Computed tomography, abdomen — axial view — 768x768 px — acquired on Brilliance16
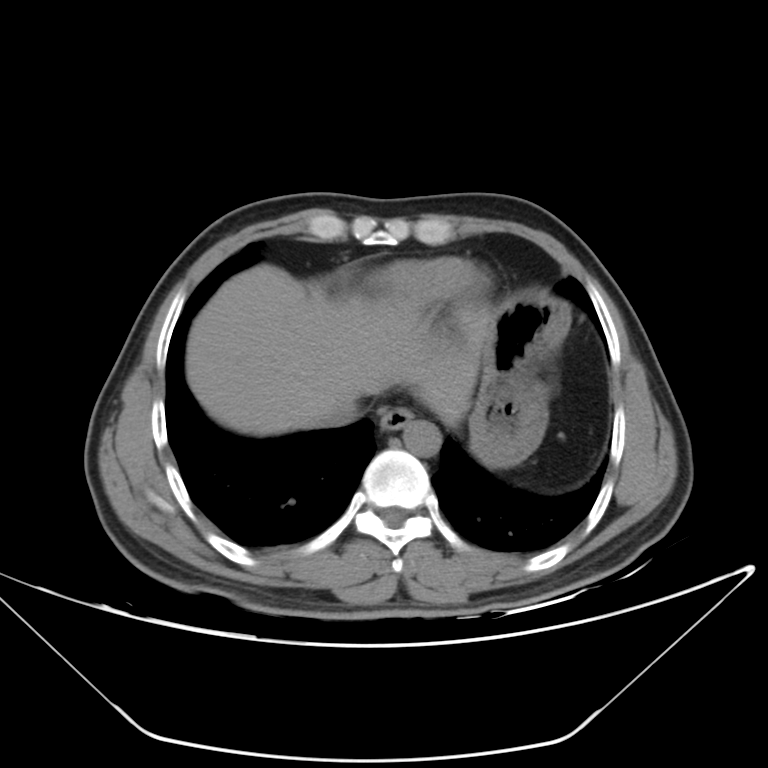

Boxes: x1:y1:x2:y2 in pixels. 5 labeled organs on this slice — esophagus at 380:406:412:430; liver at 186:264:483:435; stomach at 469:292:570:467; aorta at 402:419:441:456; inferior vena cava at 316:391:358:426.